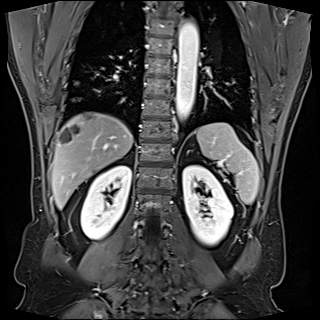

MRI, abdomen — coronal view — acquired on Prisma
Box edges are left/top/right/bottom in pixels.
spleen: left=196, top=123, right=259, bottom=204
left kidney: left=182, top=165, right=232, bottom=245
liver: left=51, top=112, right=133, bottom=209
right kidney: left=81, top=165, right=131, bottom=239
aorta: left=176, top=21, right=198, bottom=118
pancreas: left=214, top=170, right=223, bottom=172